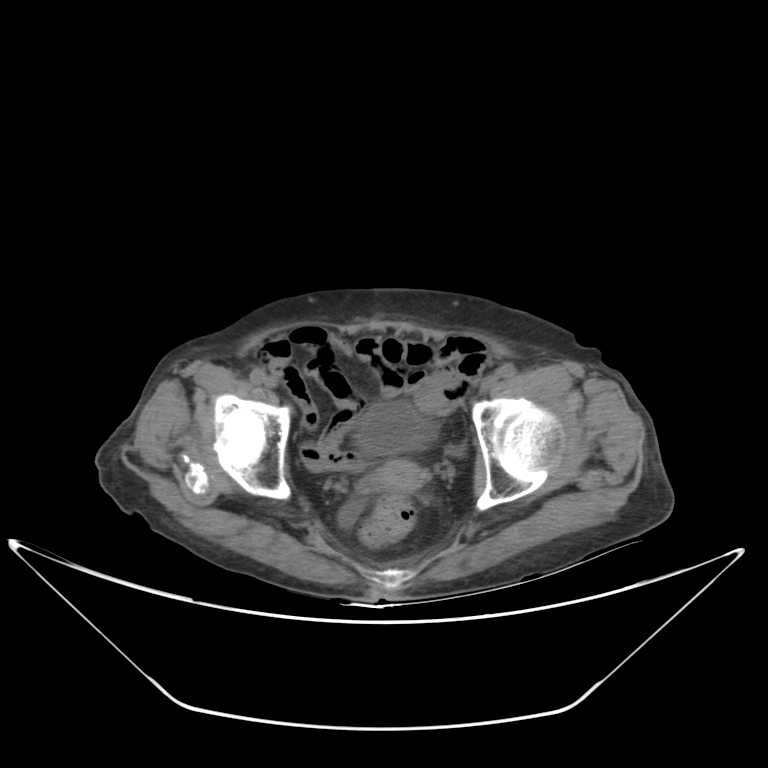

Abdominal CT — axial view — W/L 400/40 HU — female patient aged 90 or older — Brilliance16 scanner
{"organs":{"bladder":[358,402,435,453],"prostate/uterus":[372,460,426,492]}}